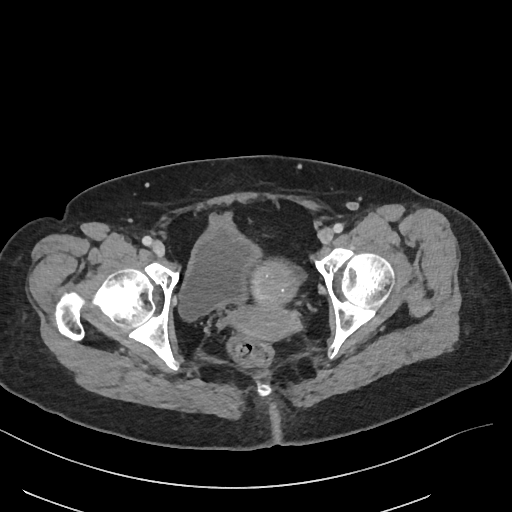 Abdominal CT. axial view. soft-tissue window
<organs><organ name="bladder" x1="179" y1="214" x2="262" y2="320"/><organ name="prostate/uterus" x1="232" y1="260" x2="300" y2="339"/></organs>